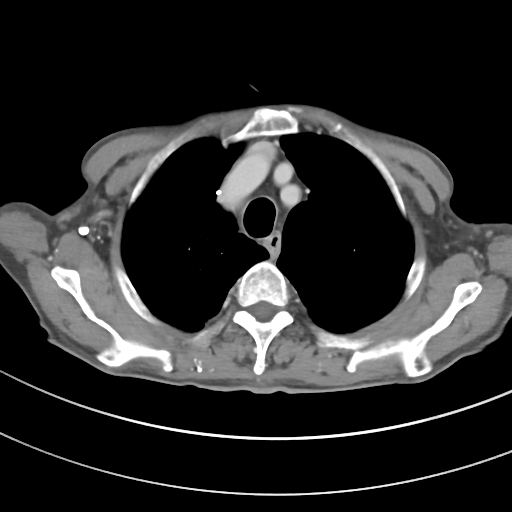
CT of the abdomen extending into the chest, slice through the chest. axial plane, index 108
On a slice this high in the chest, this dataset labels only the esophagus and the aorta, and each is boxed only where it is labeled; the heart, lungs and other chest structures are not labeled.
Bounding boxes as [x1, y1, x2, y2] in pixel coordinates.
esophagus: [265, 234, 280, 251]